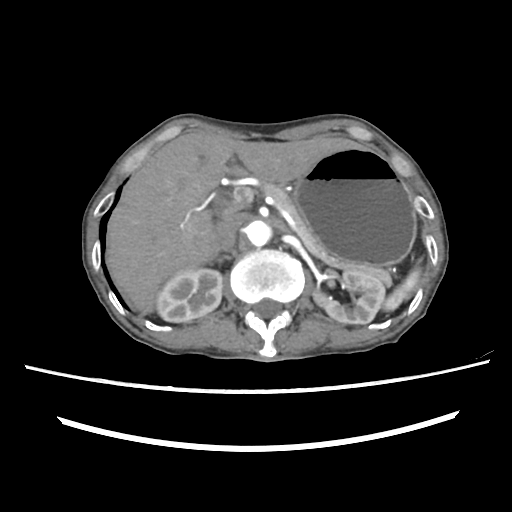

Computed tomography, abdomen; Axial slice 61/120; soft-tissue window; 512x512 px
Boxes are (x1, y1, x2, y2) in pixels. Labeled organs on this slice: stomach at (293, 145, 416, 265), pancreas at (262, 182, 391, 287), inferior vena cava at (215, 213, 243, 250), right kidney at (156, 269, 222, 322), left kidney at (313, 272, 385, 324), liver at (106, 132, 356, 313), aorta at (246, 220, 271, 246), spleen at (383, 269, 419, 311).